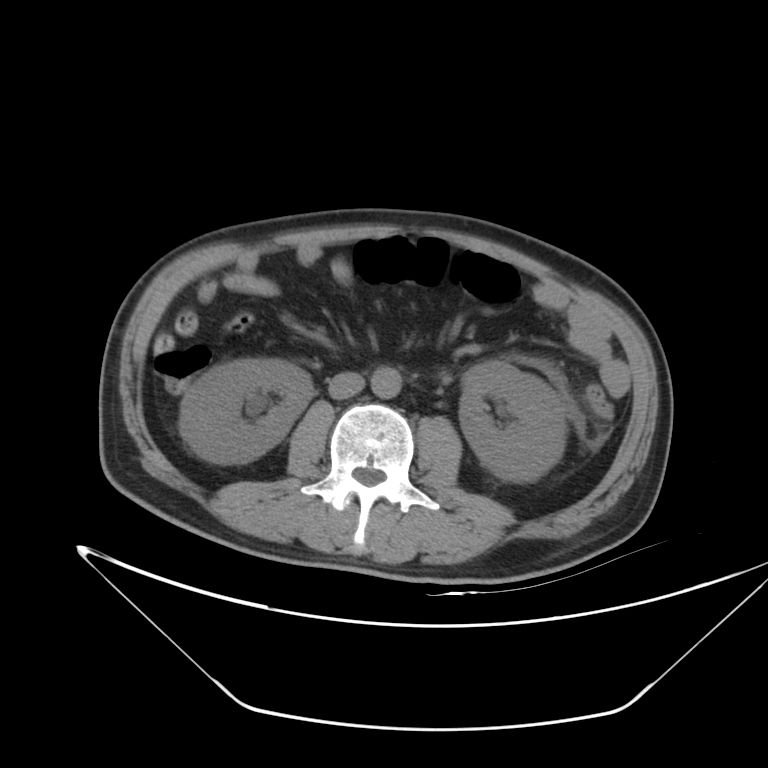
CT, abdomen/pelvis; axial view; 768x768 px
Each box given as x1,y1,x2,y2.
Organ bounding boxes:
- aorta: x1=370, y1=366, x2=401, y2=398
- right kidney: x1=180, y1=359, x2=311, y2=464
- inferior vena cava: x1=328, y1=371, x2=364, y2=398
- left kidney: x1=458, y1=361, x2=565, y2=482